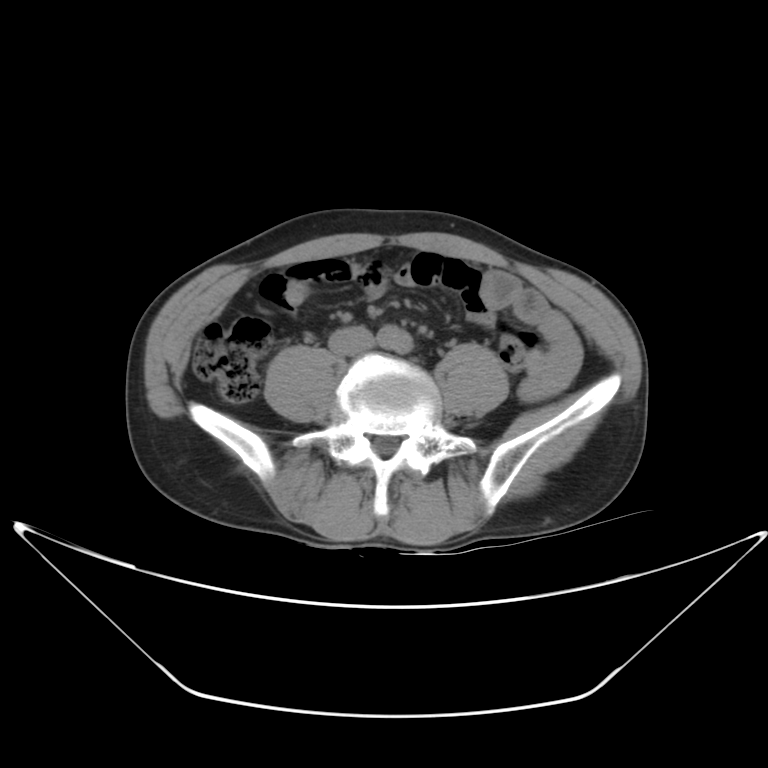 CT abdomen · axial plane, index 42 · W/L 400/40 HU · scan has 15 labeled organs (that count is for the whole scan; organs this slice misses have no box)
Coordinates as <box>x1,y1,x2,y2</box> in pixels. 2 labeled organs on this slice — aorta at <box>379,327,410,353</box>; inferior vena cava at <box>326,328,375,354</box>.